Computed tomography, abdomen; axial view; soft-tissue window; acquired on Aquilion ONE
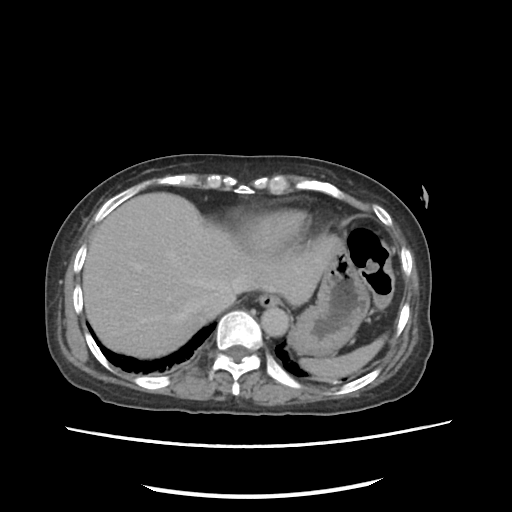
Boxes: x1 y1 x2 y2 (pixel coords, space-separated).
spleen: 300 336 386 379
liver: 82 192 340 357
stomach: 290 248 370 356
esophagus: 258 294 280 308
aorta: 261 307 288 336
inferior vena cava: 200 286 236 316